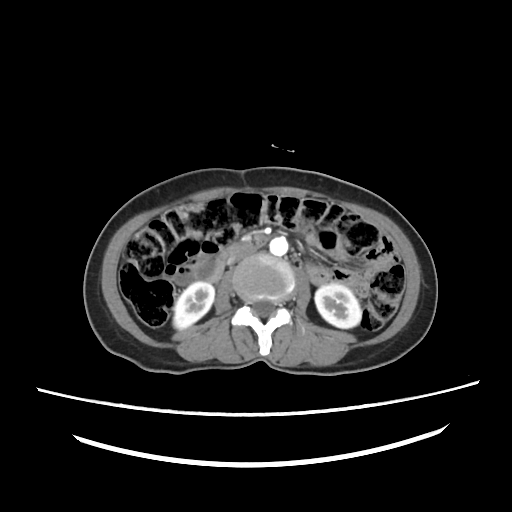 Abdominal CT — Axial slice 47/82 — soft-tissue window (W 400 / L 40)
Boxes are (x1, y1, x2, y2) in pixels.
inferior vena cava: (226, 247, 256, 265)
aorta: (270, 236, 289, 256)
right kidney: (173, 282, 214, 329)
duodenum: (208, 235, 272, 284)
left kidney: (314, 281, 362, 327)